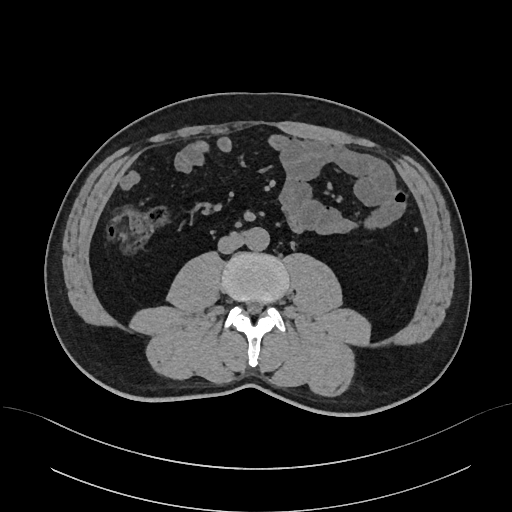 Abdominal CT · axial view · W/L 400/40 HU
One row per box, in pixels: columns x1 and y1 give the top-left corner, x2 and y2 the bottom-right.
| organ | x1 | y1 | x2 | y2 |
|---|---|---|---|---|
| aorta | 245 | 227 | 269 | 250 |
| inferior vena cava | 218 | 234 | 244 | 253 |